CT, abdomen/pelvis; axial view; 60-year-old female patient
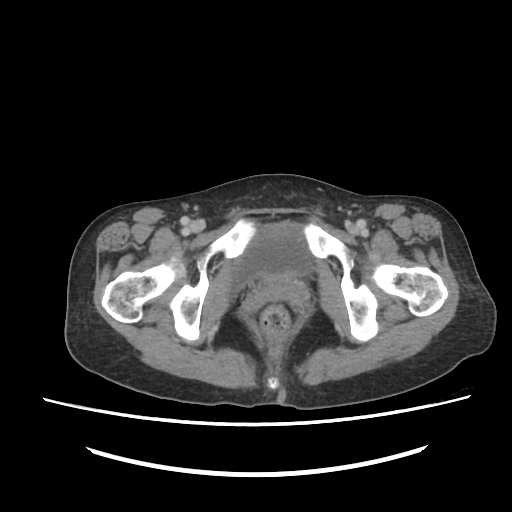

Bounding boxes as [x1, y1, x2, y2] in pixel coordinates.
Organ bounding boxes:
- bladder: [231, 221, 313, 294]